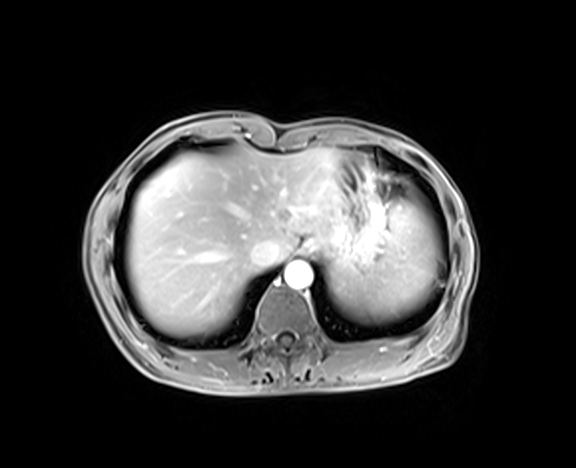
MRI, abdomen — axial view
Boxes: x1:y1:x2:y2 in pixels.
Organ bounding boxes:
- liver: 127:147:347:334
- spleen: 329:197:439:318
- aorta: 284:261:313:289
- inferior vena cava: 250:241:275:266
- esophagus: 300:241:311:253
- stomach: 309:164:385:276